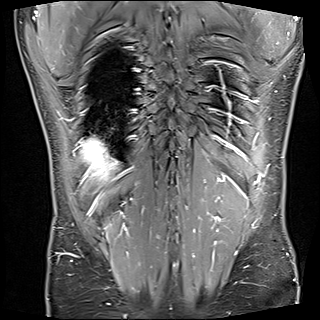

Abdominal MR · Coronal slice 4/60 · 1st–99th percentile window · acquired on Prisma
{"organs":{"liver":[83,138,116,177]}}